Abdominal CT · axial view · abdomen soft-tissue window · 512x512 px
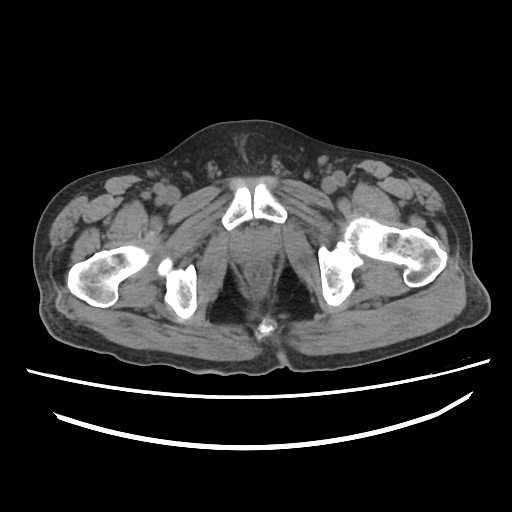
<organs><organ name="prostate/uterus" x1="234" y1="231" x2="276" y2="261"/></organs>